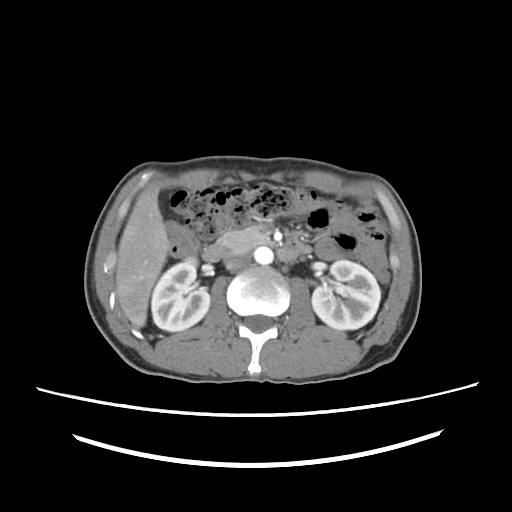

CT abdomen — axial view — soft-tissue window
Boxes: x1 y1 x2 y2 (pixel coords, space-separated).
Organ bounding boxes:
- right kidney: 151 257 210 331
- left kidney: 312 259 380 330
- liver: 117 180 169 327
- aorta: 255 246 273 264
- inferior vena cava: 224 252 248 270
- pancreas: 217 225 277 251
- duodenum: 200 237 316 262